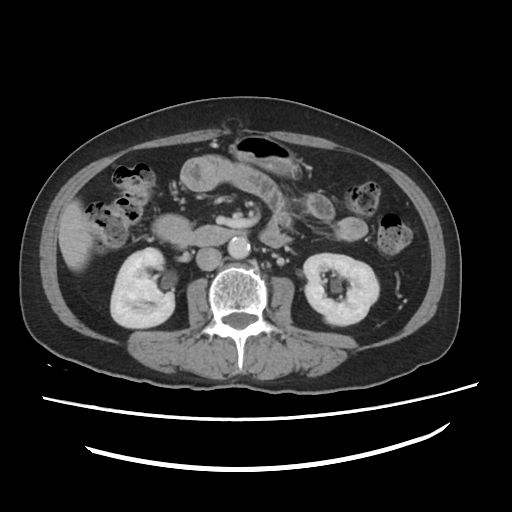
Computed tomography, abdomen · axial view · soft-tissue window · 512x512 px · 61-year-old female patient
One row per box, in pixels: columns x1 and y1 give the top-left corner, x2 and y2 the bottom-right.
| organ | x1 | y1 | x2 | y2 |
|---|---|---|---|---|
| duodenum | 188 | 227 | 233 | 246 |
| aorta | 228 | 236 | 250 | 258 |
| left kidney | 303 | 254 | 378 | 325 |
| stomach | 230 | 133 | 300 | 174 |
| liver | 59 | 200 | 93 | 270 |
| inferior vena cava | 195 | 248 | 221 | 270 |
| right kidney | 111 | 248 | 175 | 327 |